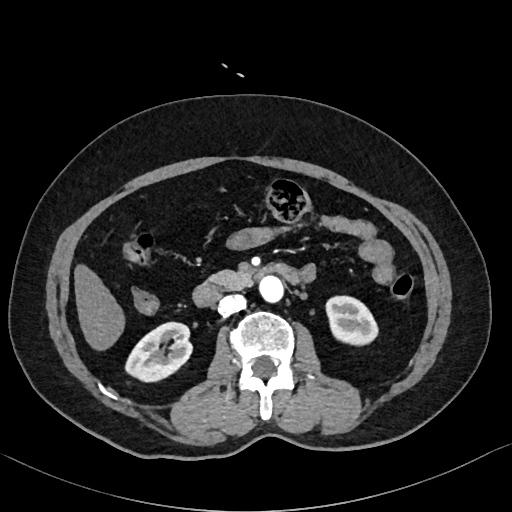

CT abdomen; axial view; SOMATOM Force scanner; 15 organs annotated in this scan (a whole-scan count: organs this slice does not pass through have no box)
Each box given as x1,y1,x2,y2.
right kidney: x1=127, y1=322, x2=190, y2=380
left kidney: x1=326, y1=296, x2=377, y2=345
liver: x1=74, y1=266, x2=122, y2=348
aorta: x1=258, y1=275, x2=284, y2=302
inferior vena cava: x1=218, y1=294, x2=245, y2=314
pancreas: x1=206, y1=271, x2=253, y2=291
duodenum: x1=193, y1=262, x2=298, y2=305